Abdominal MRI. axial view
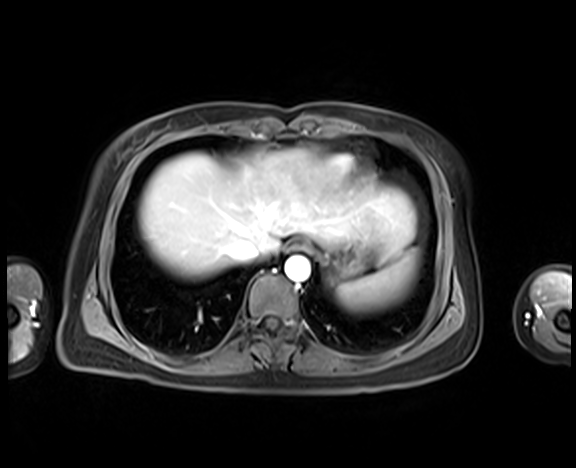 <organs><organ name="spleen" x1="337" y1="252" x2="418" y2="311"/><organ name="esophagus" x1="285" y1="242" x2="307" y2="252"/><organ name="liver" x1="138" y1="149" x2="415" y2="279"/><organ name="stomach" x1="325" y1="237" x2="378" y2="282"/><organ name="aorta" x1="285" y1="256" x2="310" y2="281"/><organ name="inferior vena cava" x1="228" y1="238" x2="260" y2="261"/></organs>